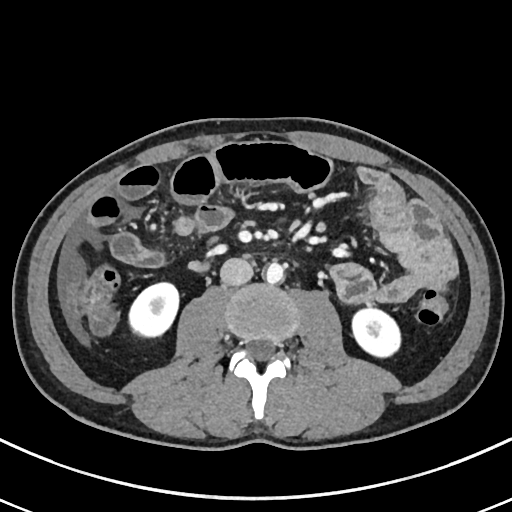 Computed tomography, abdomen — axial view — soft-tissue window — acquired on SOMATOM Force
Organ boxes in pixel coordinates; each row gives the top-left (x1, y1) and bottom-right (x2, y2) corners.
| organ | x1 | y1 | x2 | y2 |
|---|---|---|---|---|
| right kidney | 129 | 282 | 180 | 336 |
| left kidney | 350 | 307 | 402 | 359 |
| aorta | 265 | 263 | 284 | 284 |
| inferior vena cava | 220 | 257 | 253 | 286 |